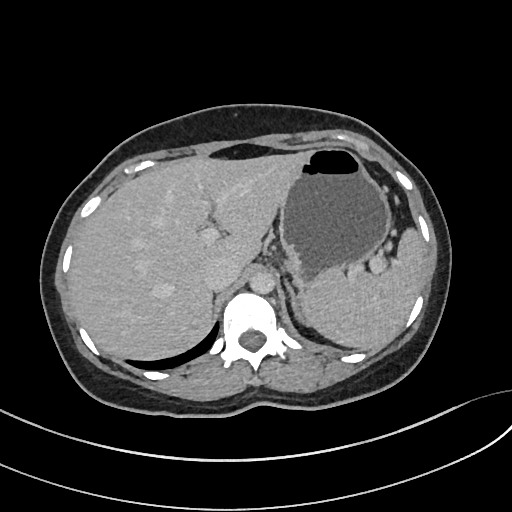

CT abdomen; axial view; soft-tissue window
{"organs":{"spleen":[302,228,424,348],"liver":[69,152,307,360],"stomach":[278,148,391,297],"aorta":[249,271,274,293],"inferior vena cava":[204,258,239,291],"left adrenal gland":[285,281,303,322]}}